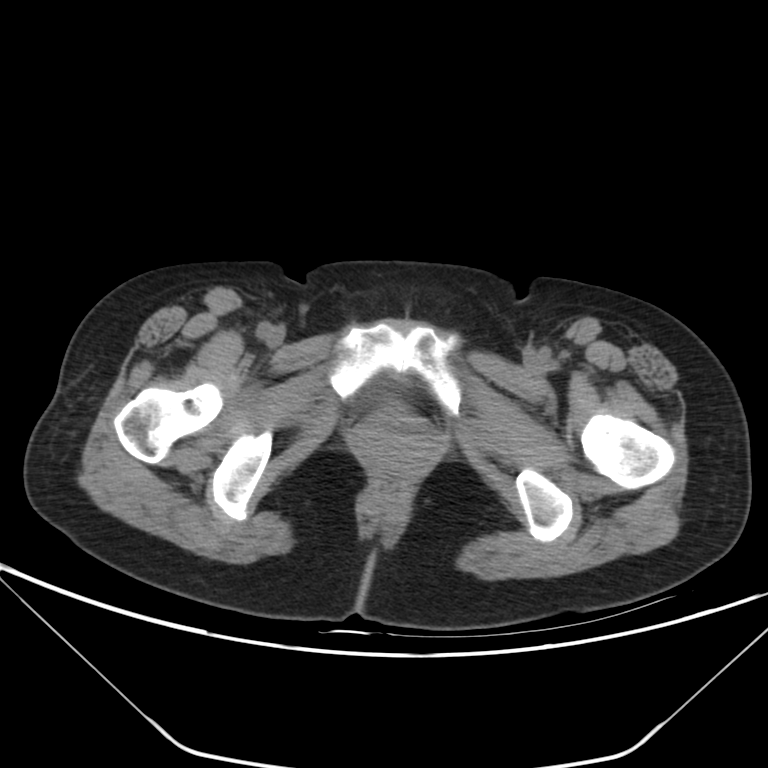 CT abdomen; axial view
Coordinates as <box>x1,y1,x2,y2</box> in pixels.
bladder: <box>372,380,411,401</box>